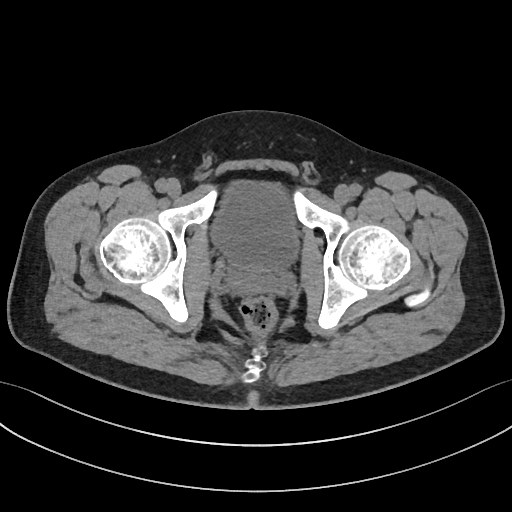
CT abdomen · axial view · 512x512 px · acquired on SOMATOM Force
Each box given as x1,y1,x2,y2.
bladder: x1=209, y1=180, x2=300, y2=271
prostate/uterus: x1=232, y1=270, x2=280, y2=290